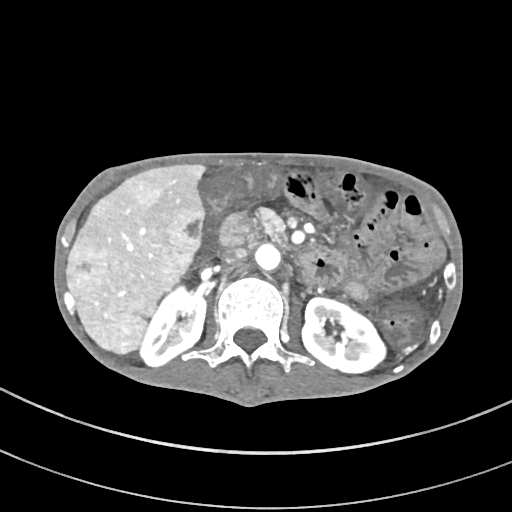

CT abdomen · axial view · 512x512 px
One row per box, in pixels: columns x1 and y1 give the top-left corner, x2 and y2 the bottom-right.
| organ | x1 | y1 | x2 | y2 |
|---|---|---|---|---|
| liver | 66 | 164 | 205 | 354 |
| aorta | 254 | 244 | 281 | 272 |
| pancreas | 252 | 207 | 288 | 245 |
| left kidney | 301 | 297 | 387 | 374 |
| inferior vena cava | 222 | 247 | 247 | 264 |
| duodenum | 220 | 213 | 345 | 286 |
| right kidney | 138 | 286 | 206 | 366 |